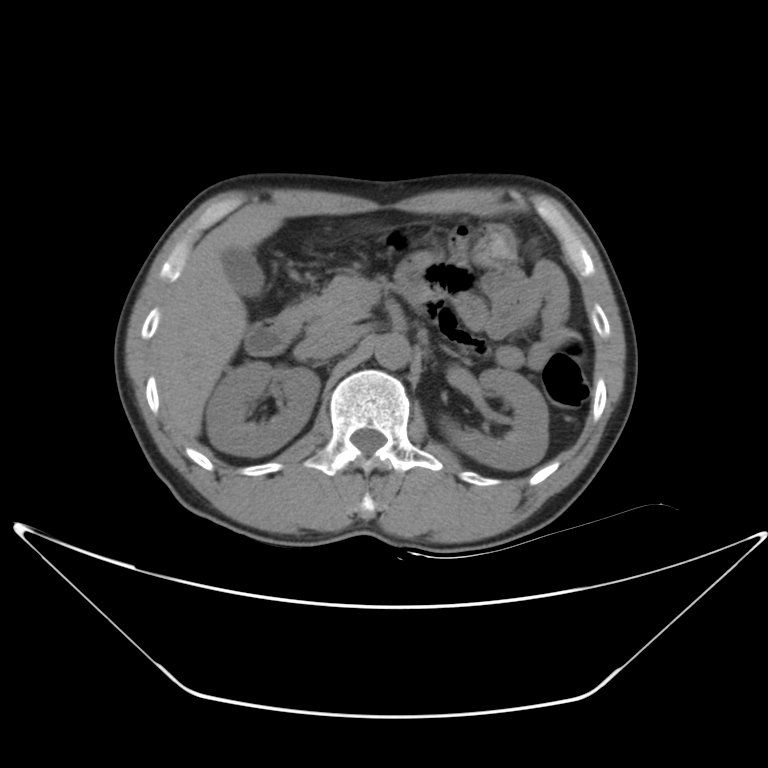

Computed tomography, abdomen. axial plane, index 67. W/L 400/40 HU
Boxes are (x1, y1, x2, y2) in pixels.
Organ bounding boxes:
- pancreas: (275, 273, 369, 332)
- left adrenal gland: (437, 343, 458, 356)
- aorta: (373, 332, 407, 367)
- liver: (158, 216, 283, 437)
- duodenum: (245, 307, 294, 354)
- inferior vena cava: (297, 322, 366, 359)
- left kidney: (451, 368, 548, 471)
- gall bladder: (224, 246, 264, 296)
- right kidney: (205, 362, 317, 455)